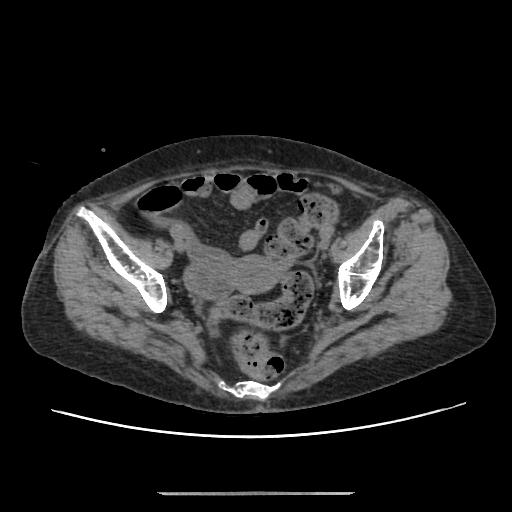 CT, abdomen/pelvis; axial view; 512x512 px; acquired on SOMATOM Force
Bounding boxes as [x1, y1, x2, y2] in pixel coordinates.
Organ bounding boxes:
- prostate/uterus: [228, 255, 283, 294]